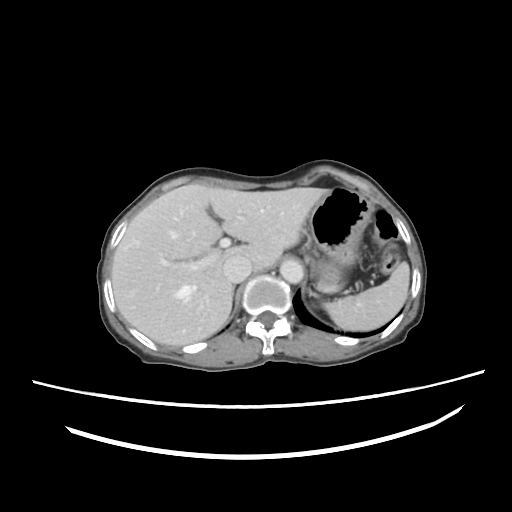
Computed tomography, abdomen · axial view · soft-tissue window (W 400 / L 40) · 512x512 px · acquired on Aquilion ONE
Box edges are left/top/right/bottom in pixels.
spleen: left=324, top=261, right=409, bottom=331
liver: left=111, top=183, right=330, bottom=346
stomach: left=310, top=186, right=371, bottom=289
aorta: left=280, top=259, right=302, bottom=281
inferior vena cava: left=222, top=255, right=252, bottom=281
right adrenal gland: left=232, top=284, right=236, bottom=291